Computed tomography, abdomen · axial view · 47-year-old male patient · scan has 15 labeled organs (a whole-scan count: organs this slice does not pass through have no box)
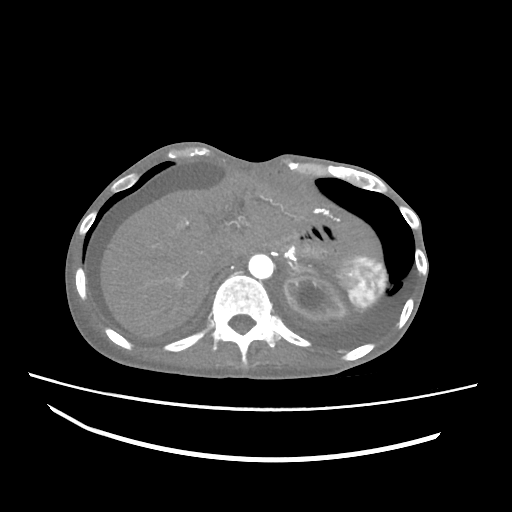
Boxes are (x1, y1, x2, y2) in pixels.
spleen: (338, 255, 385, 308)
left kidney: (282, 275, 346, 320)
esophagus: (267, 239, 294, 256)
liver: (100, 171, 316, 338)
aorta: (248, 254, 273, 279)
inferior vena cava: (210, 252, 234, 273)
left adrenal gland: (295, 265, 318, 277)